CT, abdomen/pelvis — axial view — 512x512 px
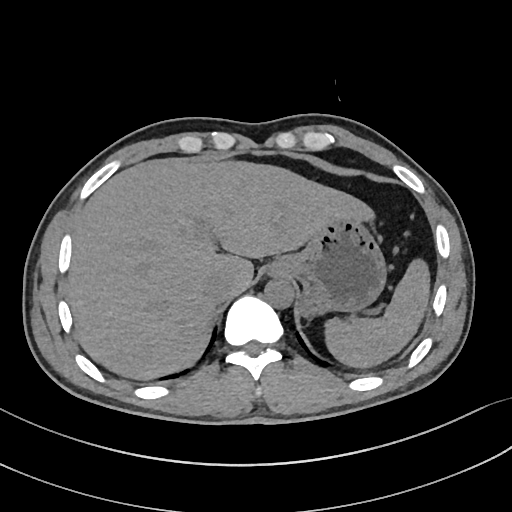 Coordinates as <box>x1,y1,x2,y2</box> in pixels. 5 labeled organs on this slice — aorta at <box>264,279,294,308</box>; stomach at <box>269,218,386,316</box>; liver at <box>68,158,374,379</box>; spleen at <box>325,258,429,367</box>; inferior vena cava at <box>204,273,233,303</box>.